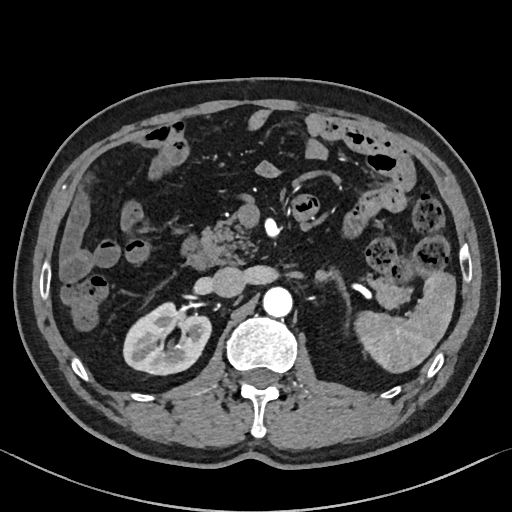

Computed tomography, abdomen. axial view. scan has 15 labeled organs (that count is for the whole scan; organs this slice misses have no box)
Box edges are left/top/right/bottom in pixels.
right kidney: left=124, top=303, right=211, bottom=375
left adrenal gland: left=315, top=271, right=350, bottom=300
aorta: left=263, top=287, right=292, bottom=318
inferior vena cava: left=211, top=266, right=246, bottom=298
pancreas: left=201, top=215, right=412, bottom=309
spleen: left=356, top=271, right=457, bottom=374
duodenum: left=179, top=229, right=212, bottom=268